CT, abdomen/pelvis · axial plane, index 88 · W/L 400/40 HU
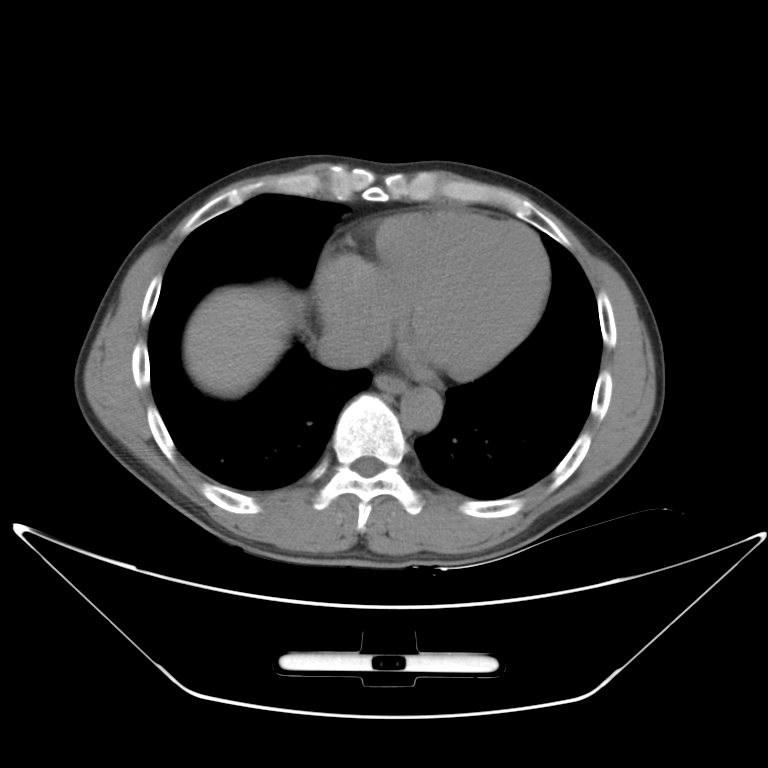 {"organs":{"esophagus":[376,373,405,394],"inferior vena cava":[316,327,372,367],"aorta":[400,389,440,431],"liver":[183,260,548,397]}}